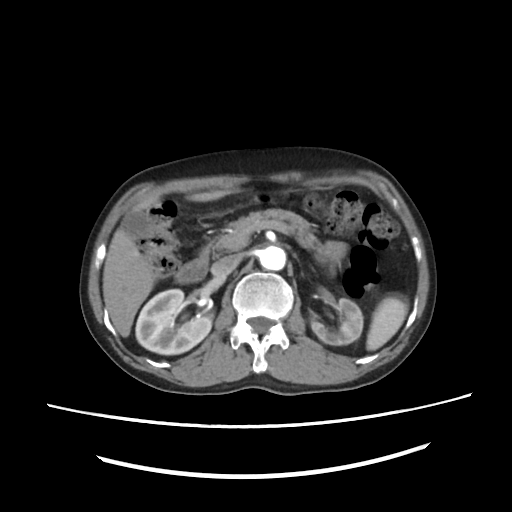 Abdominal CT — axial view — soft-tissue window (W 400 / L 40) — 67-year-old male patient — Aquilion ONE scanner
Box edges are left/top/right/bottom in pixels. The annotated organs in this slice are: gall bladder at left=122, top=211, right=155, bottom=237, left kidney at left=312, top=296, right=363, bottom=345, spleen at left=366, top=294, right=409, bottom=350, pancreas at left=220, top=207, right=323, bottom=253, inferior vena cava at left=211, top=254, right=236, bottom=277, right kidney at left=136, top=288, right=211, bottom=354, duodenum at left=175, top=248, right=210, bottom=282, liver at left=101, top=191, right=236, bottom=337, left adrenal gland at left=310, top=265, right=315, bottom=270, aorta at left=260, top=246, right=286, bottom=270.